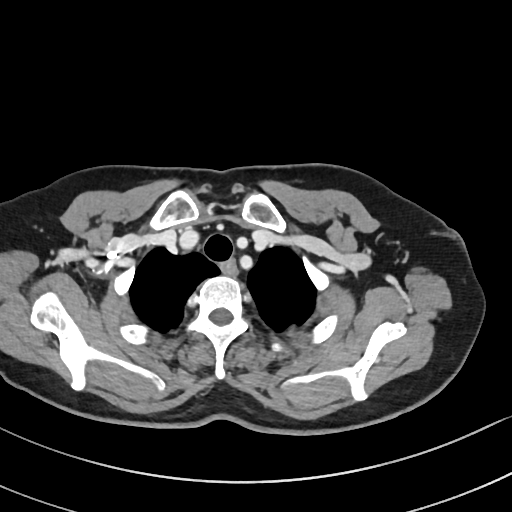 CT of the abdomen extending into the chest, slice through the chest · axial view · soft-tissue window, W/L 400/40 · 14 organs annotated in this scan (counted over the whole 3D scan, not this slice; an organ is boxed only where this slice passes through it)
At this level of the chest this dataset labels only the esophagus and the aorta, and each is boxed only where it is labeled; the heart and lungs are never labeled.
{"organs":{"esophagus":[222,260,237,273]}}